Chest-level CT slice, above the liver and spleen — axial view
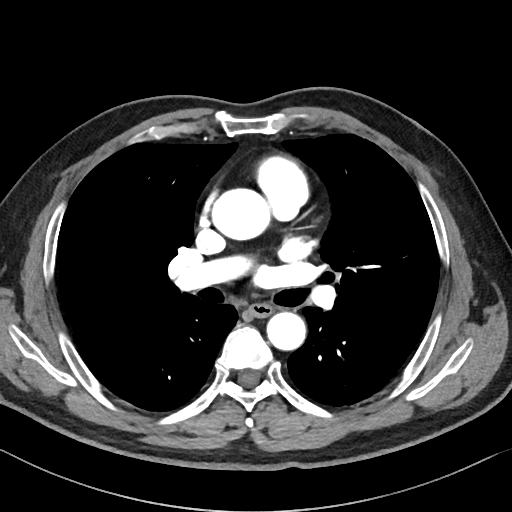

At this level of the chest no structure but the esophagus and the aorta has a label in this dataset, and those two are boxed only where they are labeled. Boxes: x1:y1:x2:y2 in pixels. Labeled organs on this slice: aorta at 211:188:269:240, aorta at 267:311:306:350, esophagus at 249:303:272:317.